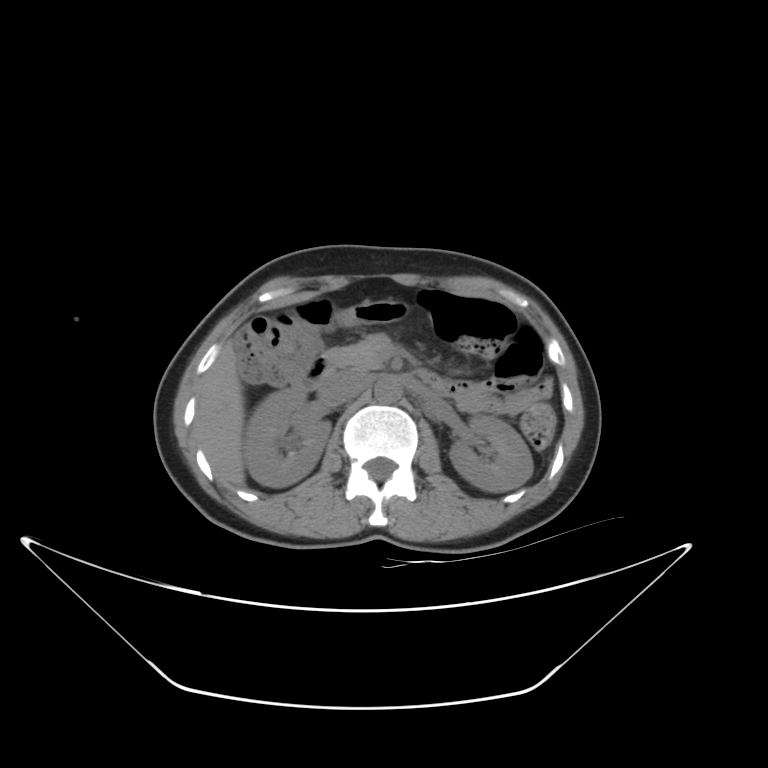 CT, abdomen/pelvis; axial view; W/L 400/40 HU
{"organs":{"right kidney":[243,388,330,486],"inferior vena cava":[317,373,367,404],"pancreas":[325,334,396,372],"liver":[194,342,245,486],"duodenum":[292,357,331,393],"left kidney":[449,415,533,491],"aorta":[374,376,401,403]}}